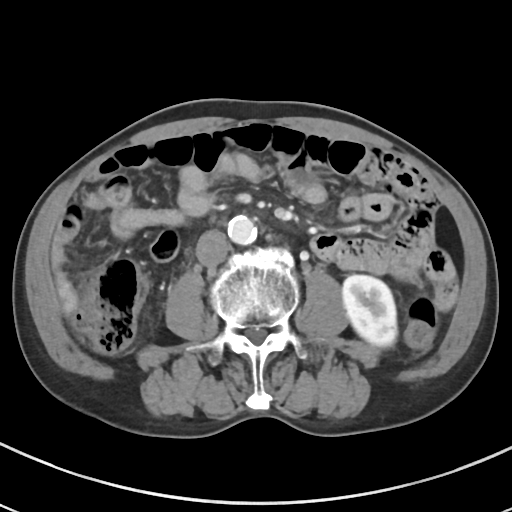 Abdominal CT — axial view — W/L 400/40 HU — scan has 15 labeled organs (a whole-scan count: organs this slice does not pass through have no box)
{"organs":{"left kidney":[342,275,397,347],"aorta":[227,215,257,244],"inferior vena cava":[196,230,229,267]}}